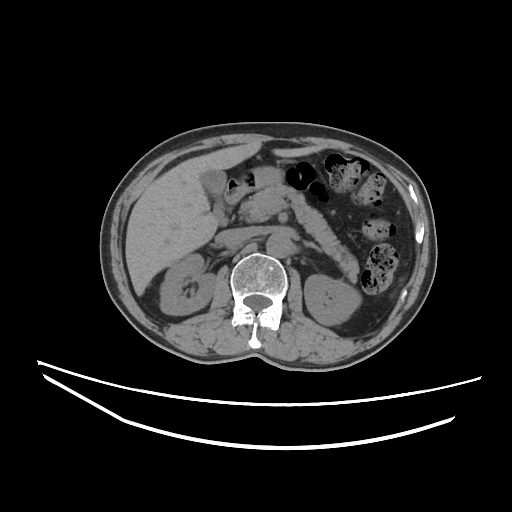
Computed tomography, abdomen — Axial slice 69/89 — soft-tissue window — 68-year-old male patient
<organs><organ name="pancreas" x1="240" y1="184" x2="359" y2="279"/><organ name="gall bladder" x1="200" y1="169" x2="228" y2="226"/><organ name="right kidney" x1="160" y1="254" x2="216" y2="314"/><organ name="liver" x1="125" y1="141" x2="320" y2="295"/><organ name="stomach" x1="239" y1="166" x2="284" y2="190"/><organ name="aorta" x1="266" y1="233" x2="291" y2="257"/><organ name="left adrenal gland" x1="303" y1="241" x2="321" y2="252"/><organ name="duodenum" x1="224" y1="179" x2="249" y2="204"/><organ name="inferior vena cava" x1="216" y1="228" x2="252" y2="248"/><organ name="left kidney" x1="304" y1="274" x2="361" y2="325"/></organs>